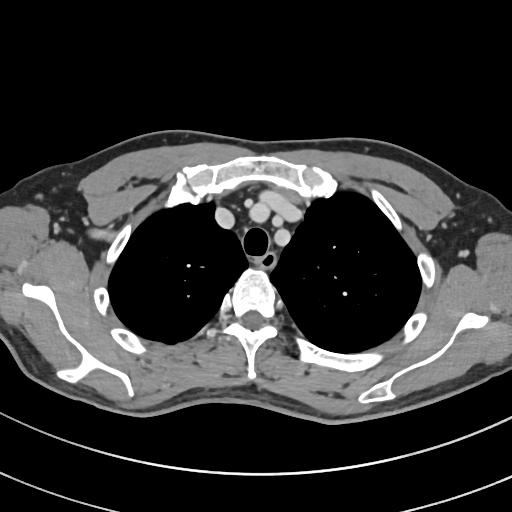

Chest-level slice from an abdominal CT that extends up into the chest; axial view; acquired on SOMATOM Force; 15 organs annotated in this scan (a whole-scan count: organs this slice does not pass through have no box)
On a slice this high in the chest, this dataset labels only the esophagus and the aorta, and each is boxed only where it is labeled; the heart, lungs and other chest structures are not labeled.
<organs><organ name="esophagus" x1="257" y1="252" x2="277" y2="269"/></organs>